CT abdomen; axial plane, index 86
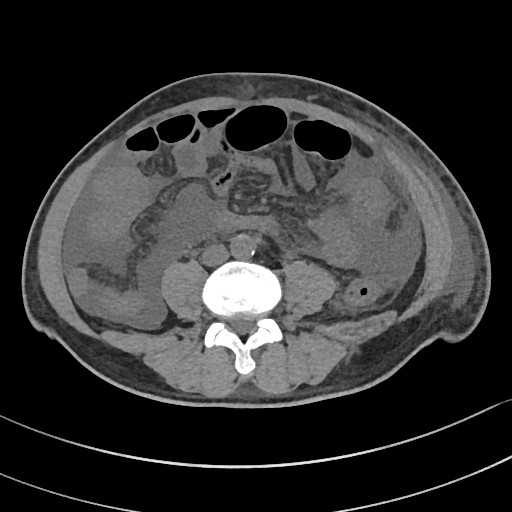 Organ boxes in pixel coordinates; each row gives the top-left (x1, y1) and bottom-right (x2, y2) corners.
| organ | x1 | y1 | x2 | y2 |
|---|---|---|---|---|
| aorta | 230 | 234 | 255 | 258 |
| inferior vena cava | 201 | 244 | 229 | 265 |